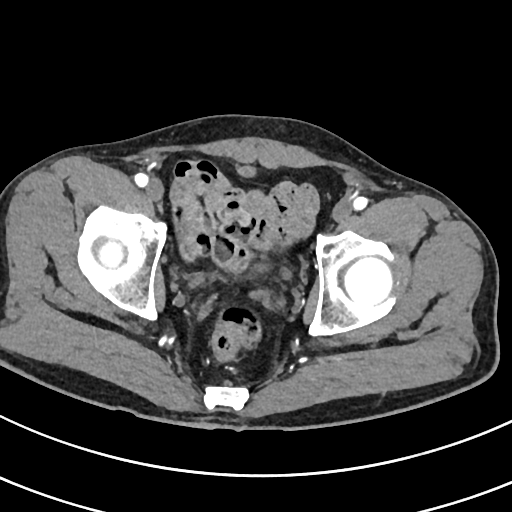

Abdominal CT. axial plane, index 32. W/L 400/40 HU. scan has 15 labeled organs (a whole-scan count: organs this slice does not pass through have no box)
Boxes: x1:y1:x2:y2 in pixels.
bladder: 240:166:255:176